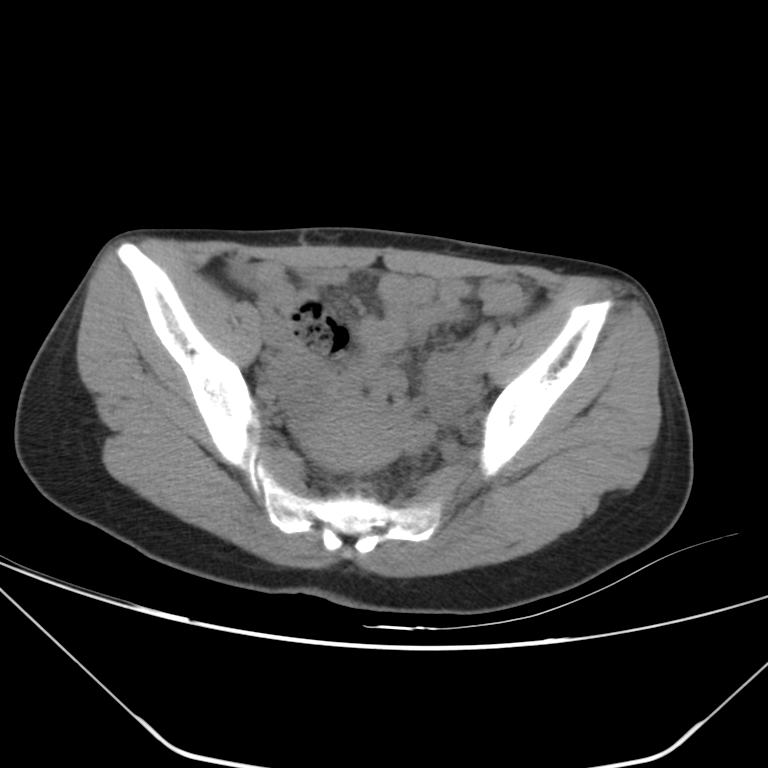 CT, abdomen/pelvis. axial view. scan has 15 labeled organs (that count is for the whole scan; organs this slice misses have no box)
Each box given as x1,y1,x2,y2.
Organ bounding boxes:
- prostate/uterus: x1=296, y1=396, x2=402, y2=471